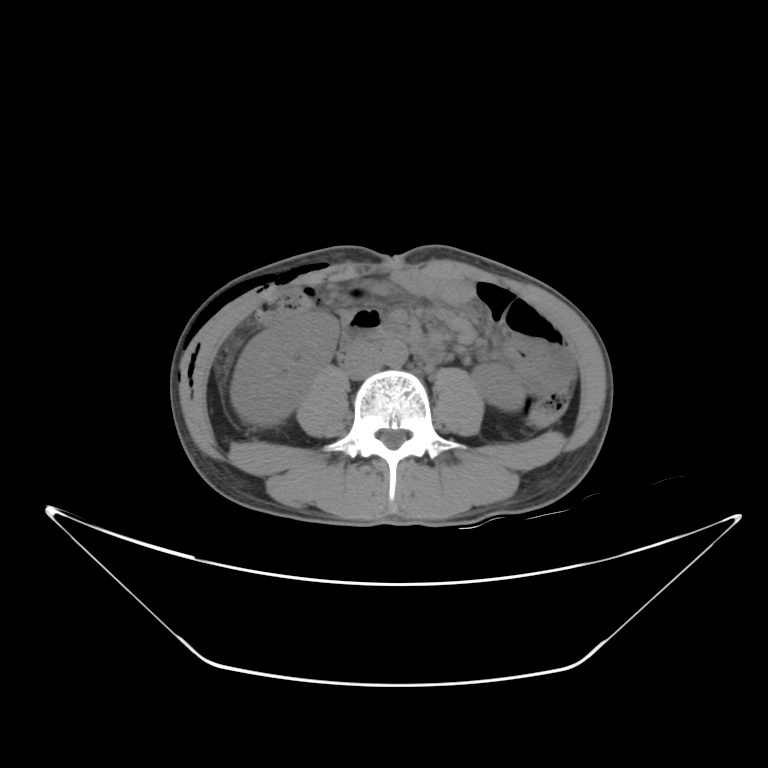

Abdominal CT. axial plane, index 49. soft-tissue window. 33-year-old male patient
Coordinates as <box>x1,y1,x2,y2</box> in pixels.
Organ bounding boxes:
- duodenum: <box>344,325,443,363</box>
- left kidney: <box>471,361,526,410</box>
- aorta: <box>383,342,408,365</box>
- inferior vena cava: <box>344,345,380,379</box>
- right kidney: <box>231,309,338,425</box>